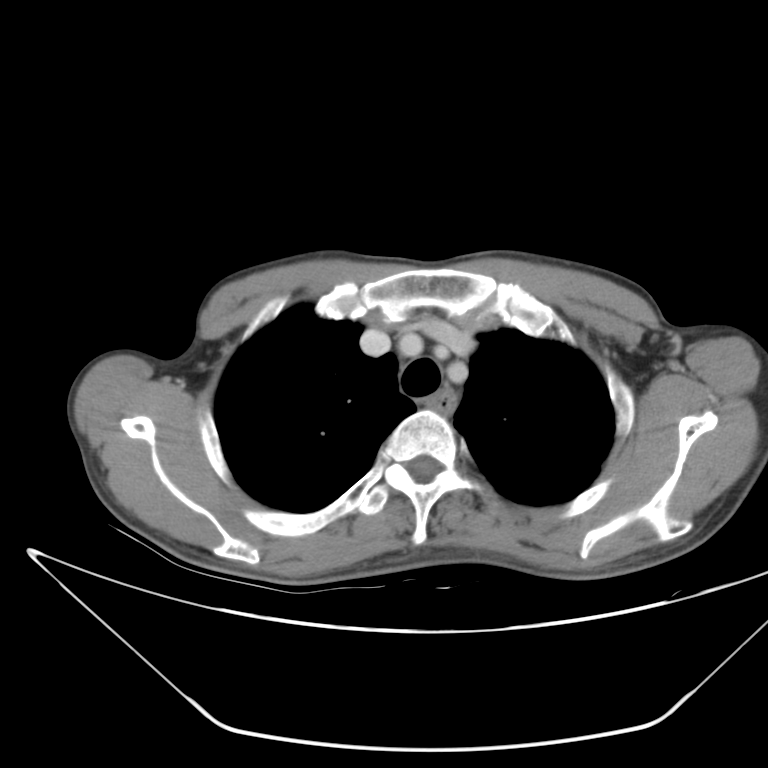
Chest-level CT slice, above the liver and spleen — axial view — soft-tissue window — Brilliance16 scanner
At this level of the chest no structure but the esophagus and the aorta has a label in this dataset, and those two are boxed only where they are labeled.
Boxes: x1 y1 x2 y2 (pixel coords, space-separated).
Organ bounding boxes:
- esophagus: 428 388 456 417